Abdominal CT — axial view — 512x512 px — 15 organs annotated in this scan (counted over the whole 3D scan, not this slice; an organ is boxed only where this slice passes through it)
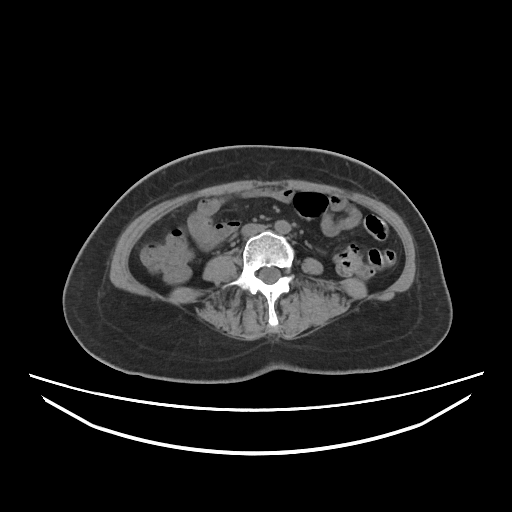
<organs><organ name="inferior vena cava" x1="241" y1="223" x2="266" y2="236"/><organ name="aorta" x1="274" y1="220" x2="290" y2="233"/></organs>